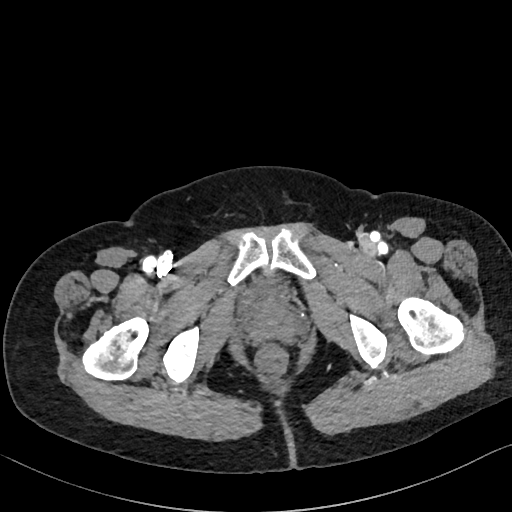

Computed tomography, abdomen — axial plane, index 18 — soft-tissue window (W 400 / L 40)
Boxes: x1 y1 x2 y2 (pixel coords, space-separated).
bladder: 244 282 284 307